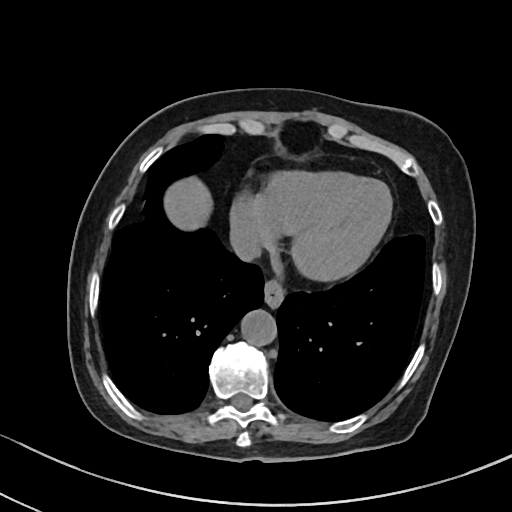
Abdominal CT; Axial slice 191/202; scan has 15 labeled organs (counted over the whole 3D scan, not this slice; an organ is boxed only where this slice passes through it)
Bounding boxes in pixels, one row per box: x1, y1 is the top-left corner and x2, y2 the bottom-right.
| organ | x1 | y1 | x2 | y2 |
|---|---|---|---|---|
| esophagus | 264 | 280 | 285 | 308 |
| liver | 164 | 177 | 212 | 230 |
| aorta | 241 | 310 | 277 | 346 |
| inferior vena cava | 230 | 225 | 261 | 261 |